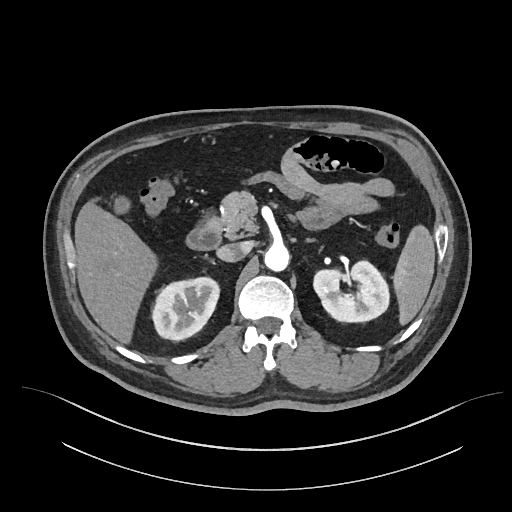 Computed tomography, abdomen — axial view — W/L 400/40 HU
Boxes: x1:y1:x2:y2 in pixels.
spleen: 393:225:434:325
right kidney: 152:277:219:340
left kidney: 313:261:389:322
gall bladder: 114:196:130:214
liver: 74:198:157:343
aorta: 264:244:289:271
inferior vena cava: 216:242:248:261
pancreas: 219:191:258:239
left adrenal gland: 307:239:313:241
duodenum: 185:210:221:250